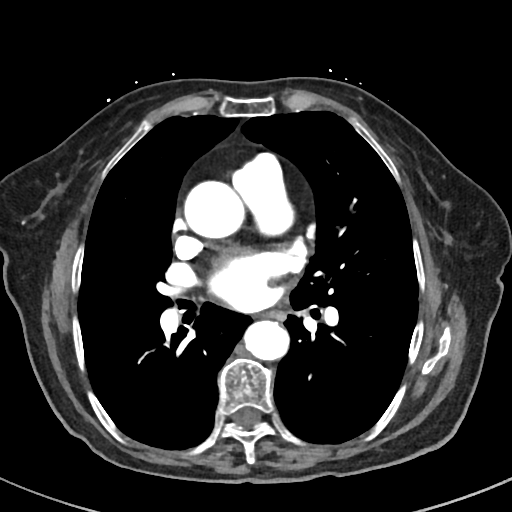

Abdominal CT; this slice is in the lower chest, just above the liver · axial view
The heart and lungs are never labeled in this dataset, so they have no box on this slice.
Bounding boxes as [x1, y1, x2, y2] in pixel coordinates.
esophagus: [263, 310, 285, 322]
aorta: [184, 180, 244, 238]
aorta: [244, 320, 289, 360]